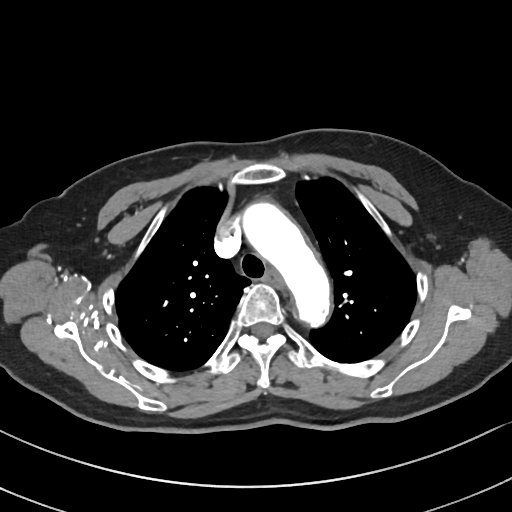

CT of the abdomen extending into the chest, slice through the chest · axial view · 512x512 px
At this level of the chest no structure but the esophagus and the aorta has a label in this dataset, and those two are boxed only where they are labeled. Bounding boxes as [x1, y1, x2, y2] in pixel coordinates. Labeled organs on this slice: aorta at [240, 200, 330, 329], esophagus at [267, 272, 285, 290].